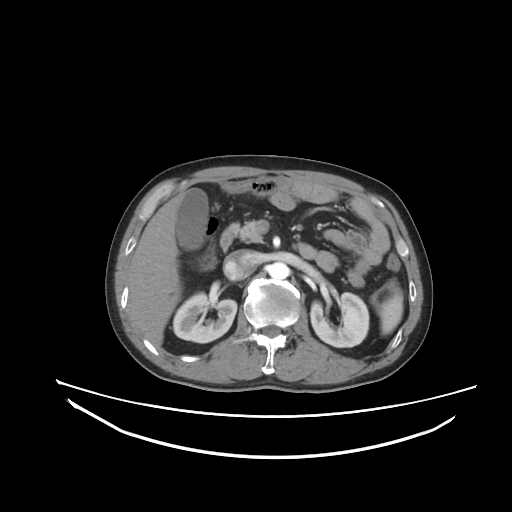 CT abdomen. Axial slice 70/134. 512x512 px. acquired on Aquilion ONE. scan has 15 labeled organs (that count is for the whole scan; organs this slice misses have no box)
<organs><organ name="spleen" x1="378" y1="289" x2="403" y2="334"/><organ name="right kidney" x1="173" y1="292" x2="236" y2="342"/><organ name="left kidney" x1="310" y1="292" x2="368" y2="347"/><organ name="gall bladder" x1="175" y1="188" x2="208" y2="250"/><organ name="liver" x1="128" y1="191" x2="185" y2="347"/><organ name="aorta" x1="268" y1="262" x2="288" y2="279"/><organ name="inferior vena cava" x1="223" y1="250" x2="256" y2="280"/><organ name="pancreas" x1="238" y1="221" x2="262" y2="243"/><organ name="duodenum" x1="220" y1="223" x2="238" y2="251"/></organs>